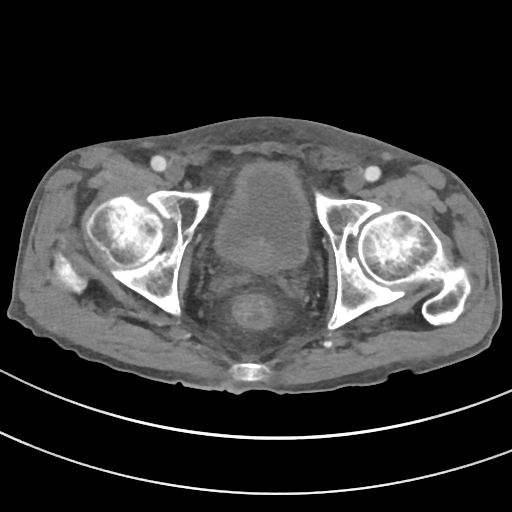
CT, abdomen/pelvis; axial view
Bounding boxes as [x1, y1, x2, y2] in pixel coordinates. 2 labeled organs on this slice — bladder at [215, 163, 310, 268]; prostate/uterus at [245, 256, 275, 272].